CT, abdomen/pelvis · Axial slice 43/218 · soft-tissue window (W 400 / L 40) · acquired on SOMATOM Force · 15 organs annotated in this scan (that count is for the whole scan; organs this slice misses have no box)
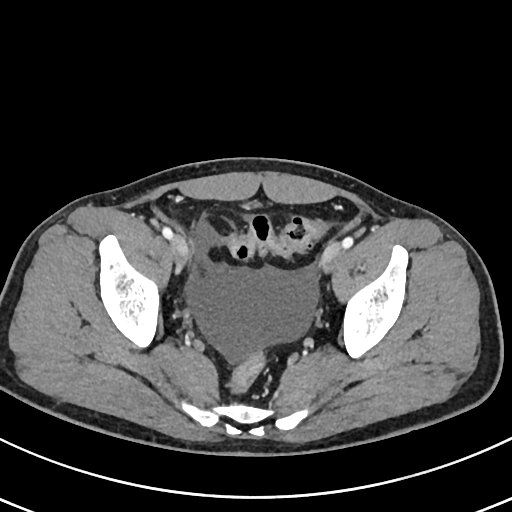

Boxes: x1 y1 x2 y2 (pixel coords, space-separated).
bladder: 241 266 243 268